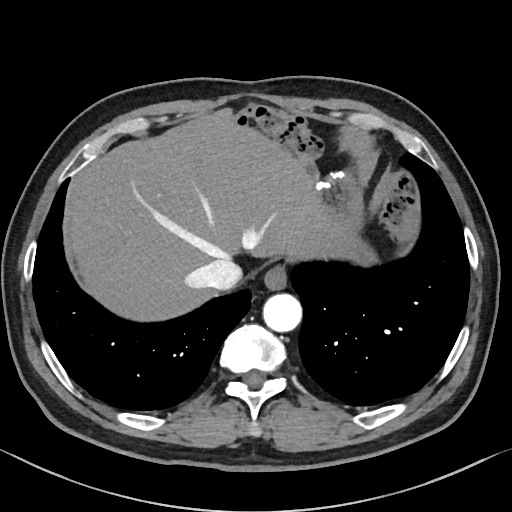

Abdominal CT · Axial slice 189/245 · 512x512 px
Bounding boxes in pixels, one row per box: x1, y1 is the top-left corner and x2, y2 the bottom-right.
| organ | x1 | y1 | x2 | y2 |
|---|---|---|---|---|
| esophagus | 263 | 265 | 286 | 289 |
| liver | 69 | 113 | 357 | 321 |
| stomach | 317 | 174 | 376 | 264 |
| aorta | 263 | 293 | 301 | 332 |
| inferior vena cava | 197 | 257 | 242 | 290 |